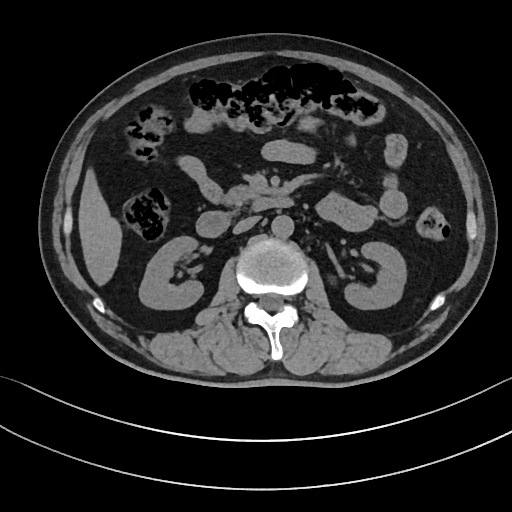
Abdominal CT — axial view — W/L 400/40 HU — scan has 15 labeled organs (that count is for the whole scan; organs this slice misses have no box)
Boxes are (x1, y1, x2, y2) in pixels.
Organ bounding boxes:
- right kidney: (139, 236, 203, 309)
- left kidney: (344, 242, 406, 309)
- liver: (78, 168, 122, 285)
- aorta: (271, 215, 294, 238)
- inferior vena cava: (233, 216, 259, 233)
- pancreas: (223, 185, 258, 211)
- duodenum: (196, 195, 293, 237)